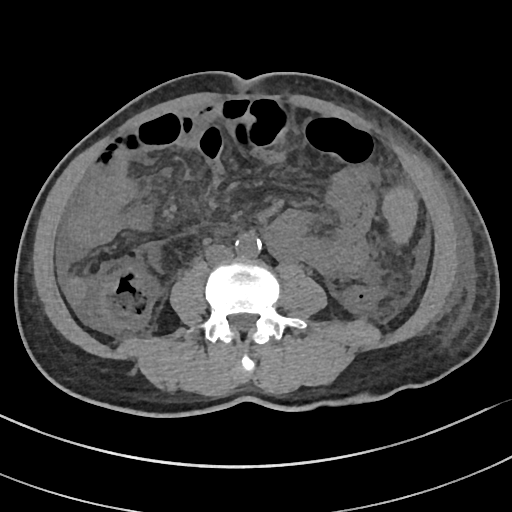 CT abdomen; Axial slice 98/206; 512x512 px
Bounding boxes as [x1, y1, x2, y2] in pixel coordinates.
Organ bounding boxes:
- spleen: [384, 186, 415, 242]
- aorta: [235, 233, 260, 257]
- inferior vena cava: [204, 244, 233, 262]